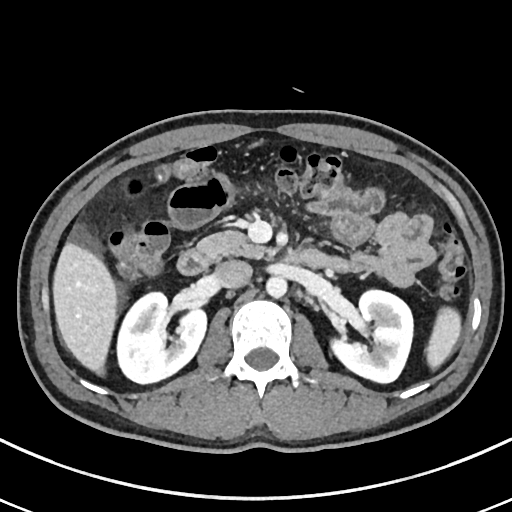
CT abdomen · axial plane, index 141 · soft-tissue window · scan has 15 labeled organs (a whole-scan count: organs this slice does not pass through have no box)
<organs><organ name="left kidney" x1="331" y1="290" x2="413" y2="382"/><organ name="aorta" x1="266" y1="276" x2="287" y2="297"/><organ name="right kidney" x1="117" y1="292" x2="206" y2="383"/><organ name="spleen" x1="426" y1="307" x2="461" y2="369"/><organ name="duodenum" x1="176" y1="249" x2="341" y2="275"/><organ name="inferior vena cava" x1="214" y1="260" x2="251" y2="288"/><organ name="pancreas" x1="197" y1="230" x2="267" y2="258"/><organ name="liver" x1="52" y1="242" x2="117" y2="375"/></organs>